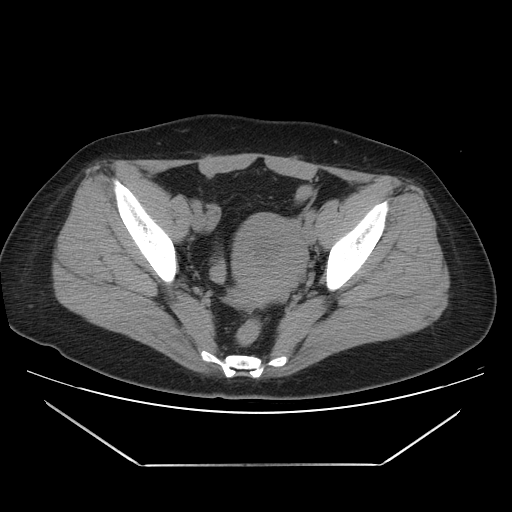
Computed tomography, abdomen; Axial slice 20/93; soft-tissue window; 512x512 px; 15 organs annotated in this scan (counted over the whole 3D scan, not this slice; an organ is boxed only where this slice passes through it)
<organs><organ name="prostate/uterus" x1="231" y1="214" x2="307" y2="305"/></organs>